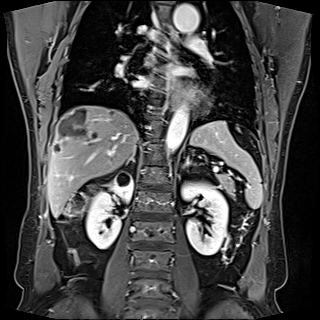
Abdominal MRI. coronal plane, index 21. percentile-normalized. 13 organs annotated in this scan (counted over the whole 3D scan, not this slice; an organ is boxed only where this slice passes through it)
Bounding boxes in pixels, one row per box: x1, y1 is the top-left corner and x2, y2 the bottom-right.
| organ | x1 | y1 | x2 | y2 |
|---|---|---|---|---|
| left kidney | 182 | 182 | 228 | 255 |
| left adrenal gland | 183 | 155 | 190 | 168 |
| right kidney | 86 | 172 | 133 | 248 |
| aorta | 165 | 106 | 188 | 154 |
| aorta | 173 | 4 | 199 | 33 |
| pancreas | 217 | 172 | 235 | 195 |
| esophagus | 169 | 81 | 176 | 109 |
| esophagus | 168 | 25 | 178 | 41 |
| esophagus | 173 | 48 | 178 | 63 |
| spleen | 190 | 121 | 262 | 208 |
| liver | 47 | 105 | 138 | 217 |
| right adrenal gland | 126 | 154 | 134 | 165 |